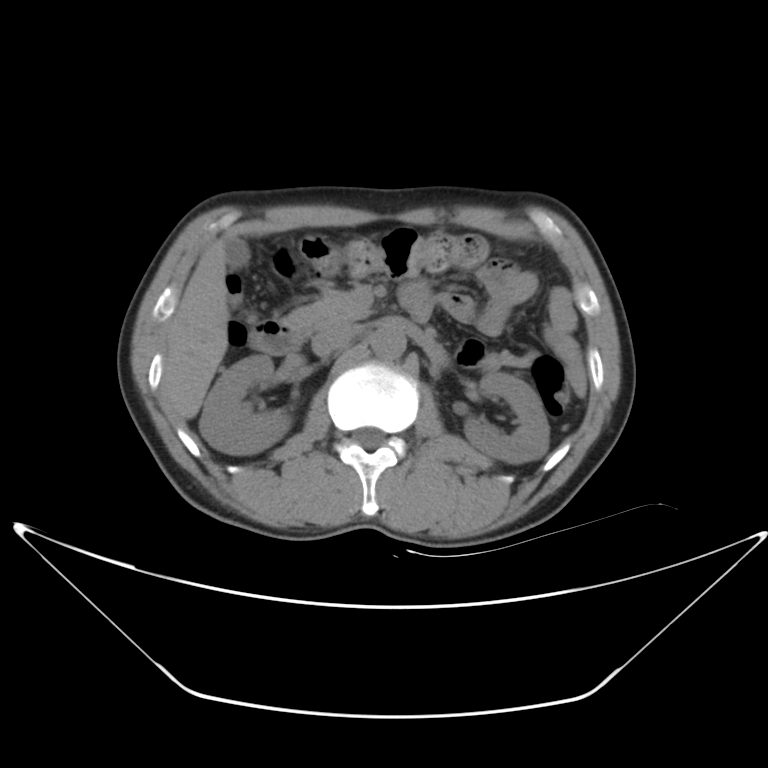

CT, abdomen/pelvis; axial view; scan has 15 labeled organs (that count is for the whole scan; organs this slice misses have no box)
<organs><organ name="right kidney" x1="199" y1="356" x2="290" y2="455"/><organ name="left kidney" x1="463" y1="370" x2="548" y2="464"/><organ name="gall bladder" x1="224" y1="238" x2="250" y2="272"/><organ name="liver" x1="165" y1="237" x2="229" y2="418"/><organ name="aorta" x1="370" y1="326" x2="405" y2="359"/><organ name="inferior vena cava" x1="311" y1="322" x2="356" y2="356"/><organ name="pancreas" x1="286" y1="290" x2="369" y2="334"/><organ name="duodenum" x1="246" y1="281" x2="433" y2="352"/></organs>